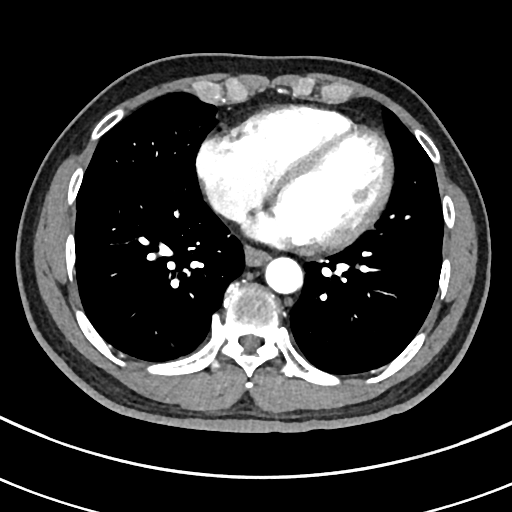

Abdominal CT; this slice is in the lower chest, just above the liver; Axial slice 207/302; soft-tissue window (W 400 / L 40)
Of the structures in the chest, this dataset labels only the esophagus, the aorta and the inferior vena cava; the heart and lungs have no label.
Boxes are (x1, y1, x2, y2) in pixels.
esophagus: (246, 245, 269, 264)
aorta: (264, 256, 302, 292)
inferior vena cava: (211, 192, 243, 218)